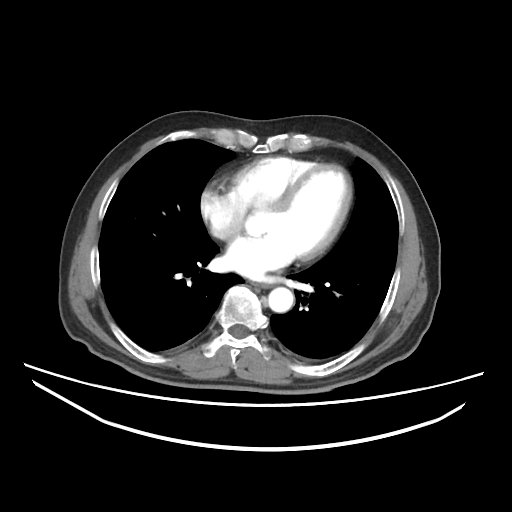
CT of the abdomen reaching into the lower chest, slice just above the liver and spleen — axial plane, index 91 — W/L 400/40 HU — 512x512 px — 58-year-old male patient
No part of the heart or lungs is labeled in this dataset, so neither has a box here.
One row per box, in pixels: columns x1 and y1 give the top-left corner, x2 and y2 the bottom-right.
| organ | x1 | y1 | x2 | y2 |
|---|---|---|---|---|
| esophagus | 252 | 282 | 273 | 287 |
| aorta | 268 | 287 | 293 | 312 |